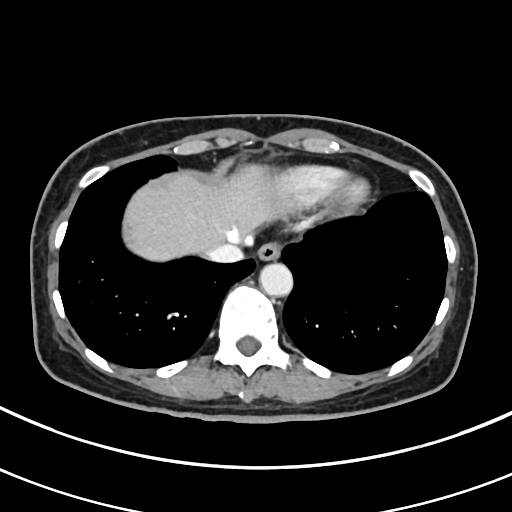
CT, abdomen/pelvis · Axial slice 181/192 · 15 organs annotated in this scan (a whole-scan count: organs this slice does not pass through have no box)
{"organs":{"esophagus":[256,242,280,261],"liver":[123,164,279,261],"aorta":[259,262,293,296],"inferior vena cava":[206,240,243,263]}}